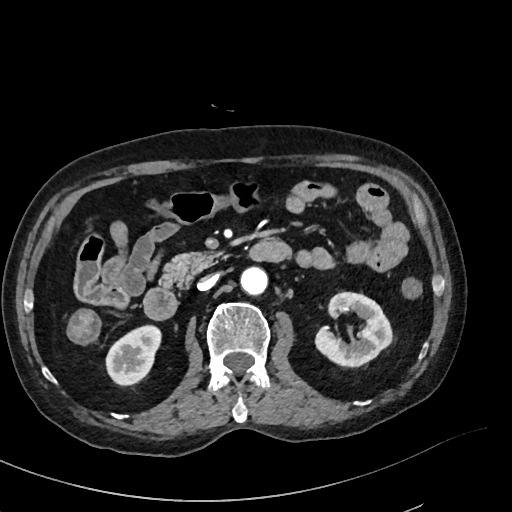

Computed tomography, abdomen — axial view — abdomen soft-tissue window — 512x512 px — acquired on SOMATOM Force — 15 organs annotated in this scan (that count is for the whole scan; organs this slice misses have no box)
Coordinates as <box>x1,y1,x2,y2</box> in pixels. 6 labeled organs on this slice — left kidney at <box>316,291,390,365</box>; duodenum at <box>144,244,267,319</box>; right kidney at <box>106,325,160,386</box>; aorta at <box>241,266,268,294</box>; inferior vena cava at <box>198,274,218,290</box>; pancreas at <box>161,251,217,287</box>.